CT abdomen; Axial slice 84/123; abdomen soft-tissue window; 54-year-old male patient
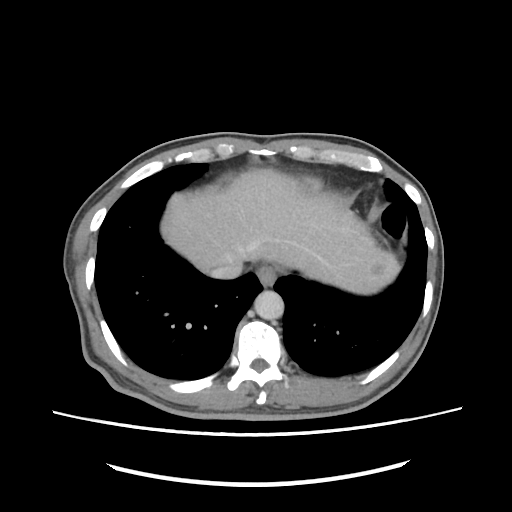 Boxes: x1 y1 x2 y2 (pixel coords, space-separated).
Organ bounding boxes:
- spleen: 372 290 377 292
- esophagus: 257 265 277 285
- inferior vena cava: 210 262 242 278
- liver: 161 168 398 293
- aorta: 254 291 284 319